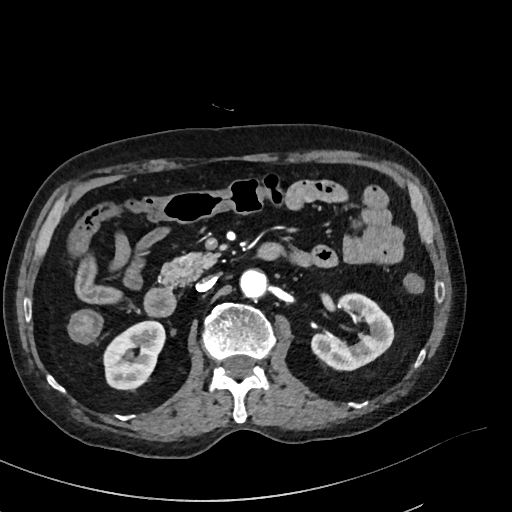
CT abdomen; axial view; abdomen soft-tissue window
Boxes: x1:y1:x2:y2 in pixels.
right kidney: 102:320:165:389
left kidney: 310:294:393:371
aorta: 240:270:268:299
inferior vena cava: 196:277:215:291
pancreas: 160:252:216:286
duodenum: 144:284:175:315